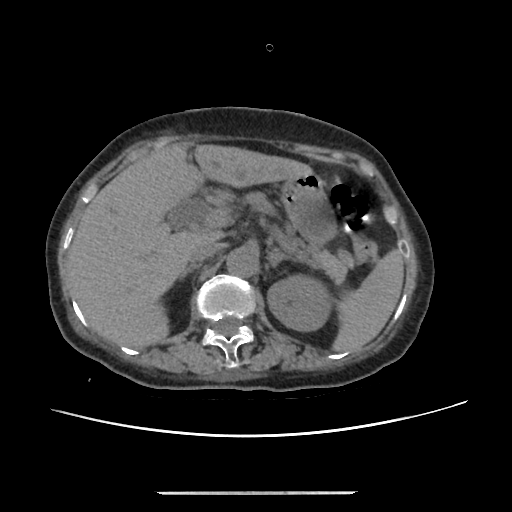
CT, abdomen/pelvis — Axial slice 252/353 — soft-tissue window (W 400 / L 40) — SOMATOM Force scanner — 14 organs annotated in this scan (a whole-scan count: organs this slice does not pass through have no box)
Each box given as x1,y1,x2,y2.
spleen: x1=334, y1=250, x2=403, y2=351
left kidney: x1=267, y1=274, x2=330, y2=331
liver: x1=67, y1=143, x2=312, y2=348
stomach: x1=280, y1=174, x2=334, y2=243
aorta: x1=226, y1=247, x2=257, y2=276
inferior vena cava: x1=188, y1=242, x2=220, y2=267
pancreas: x1=223, y1=190, x2=353, y2=281
right adrenal gland: x1=179, y1=267, x2=192, y2=278
left adrenal gland: x1=268, y1=248, x2=283, y2=265